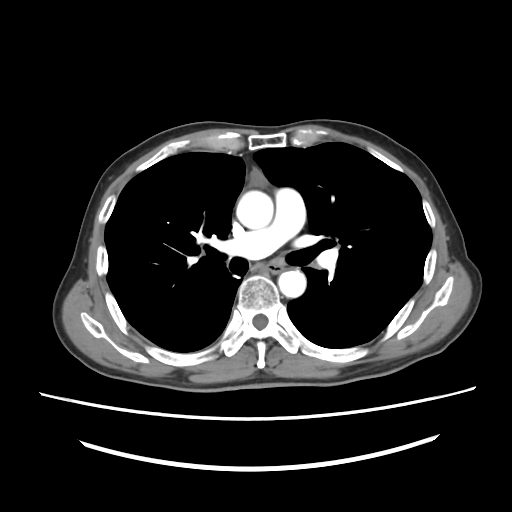 Chest-level CT slice, above the liver and spleen; axial plane, index 101; soft-tissue window; Aquilion ONE scanner
At this level of the chest this dataset labels only the esophagus and the aorta, and each is boxed only where it is labeled; the heart and lungs are never labeled.
Boxes are (x1, y1, x2, y2) in pixels.
esophagus: (266, 264, 281, 272)
aorta: (236, 190, 273, 229)
aorta: (278, 270, 306, 297)